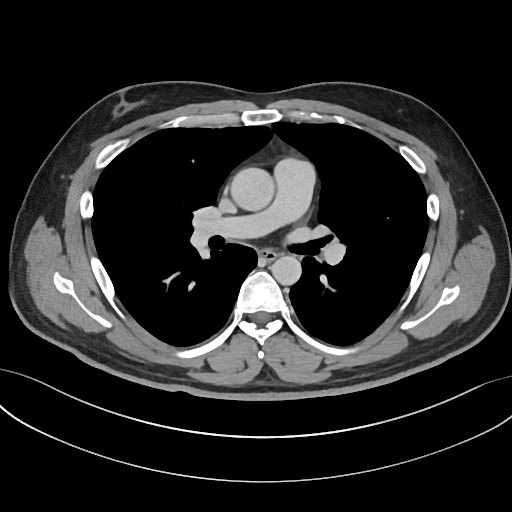

CT of the abdomen extending into the chest, slice through the chest. axial view. acquired on SOMATOM Force
At this level of the chest no structure but the esophagus and the aorta has a label in this dataset, and those two are boxed only where they are labeled. Boxes: x1 y1 x2 y2 (pixel coords, space-separated). Labeled organs on this slice: esophagus at 259 249 276 261, aorta at 231 167 274 211, aorta at 271 255 301 285.